CT abdomen. axial plane, index 106. 512x512 px. SOMATOM Force scanner
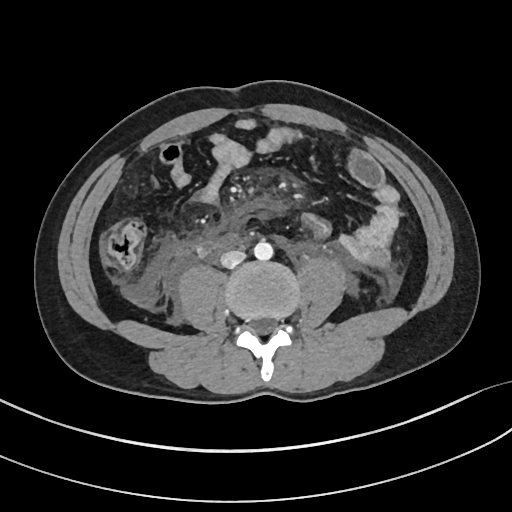 {"organs":{"aorta":[254,241,273,260],"inferior vena cava":[220,250,245,267]}}